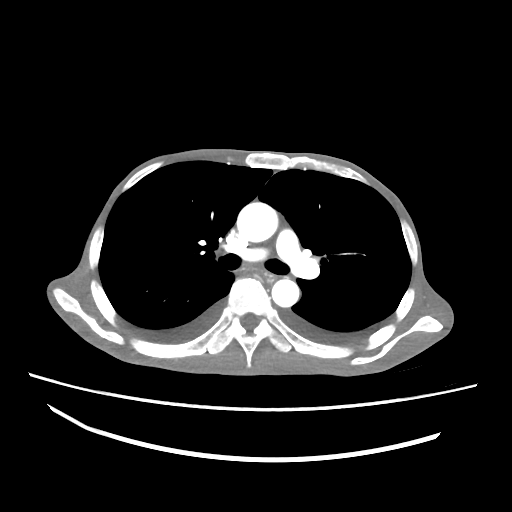
Chest-level slice from an abdominal CT that extends up into the chest. Axial slice 101/123. 512x512 px
On a slice this high in the chest, this dataset labels only the esophagus and the aorta, and each is boxed only where it is labeled; the heart, lungs and other chest structures are not labeled.
<organs><organ name="aorta" x1="237" y1="202" x2="277" y2="242"/><organ name="aorta" x1="271" y1="279" x2="299" y2="307"/><organ name="esophagus" x1="258" y1="269" x2="278" y2="281"/></organs>